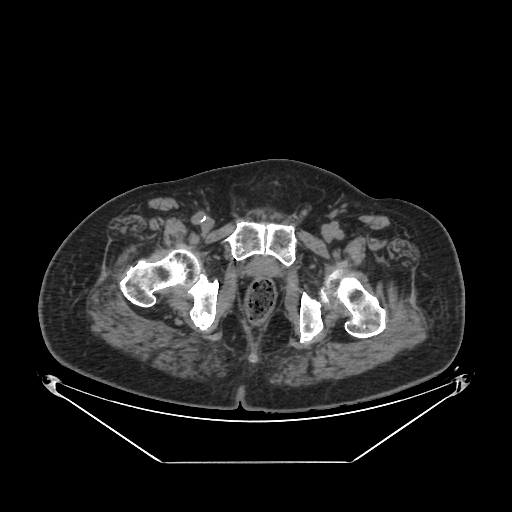
CT, abdomen/pelvis · Axial slice 25/353 · W/L 400/40 HU
{"organs":{"prostate/uterus":[247,258,278,275]}}